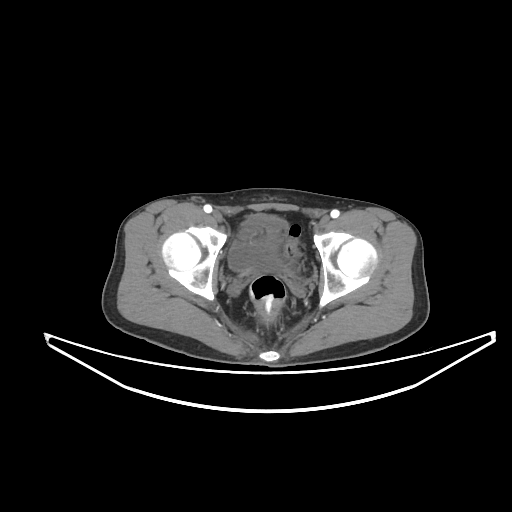 CT, abdomen/pelvis; axial plane, index 16; 52-year-old male patient; acquired on Aquilion ONE
Coordinates as <box>x1,y1,x2,y2</box> in pixels.
Organ bounding boxes:
- bladder: <box>229,214,286,271</box>